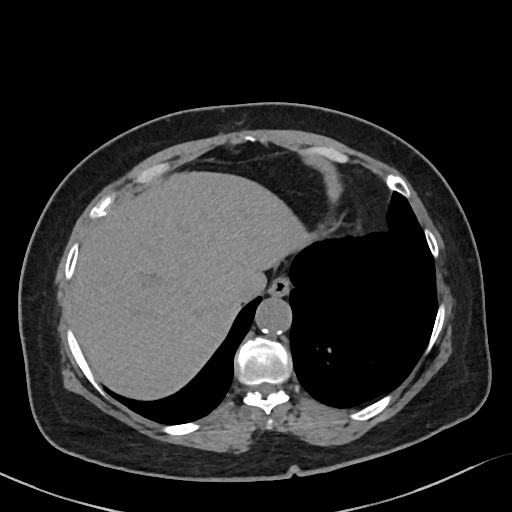

Abdominal CT; Axial slice 170/192; acquired on SOMATOM Force
Boxes are (x1, y1, x2, y2) in pixels. 4 labeled organs on this slice — aorta at (255, 297, 291, 334); liver at (69, 171, 313, 402); esophagus at (269, 279, 289, 295); inferior vena cava at (233, 275, 265, 302).